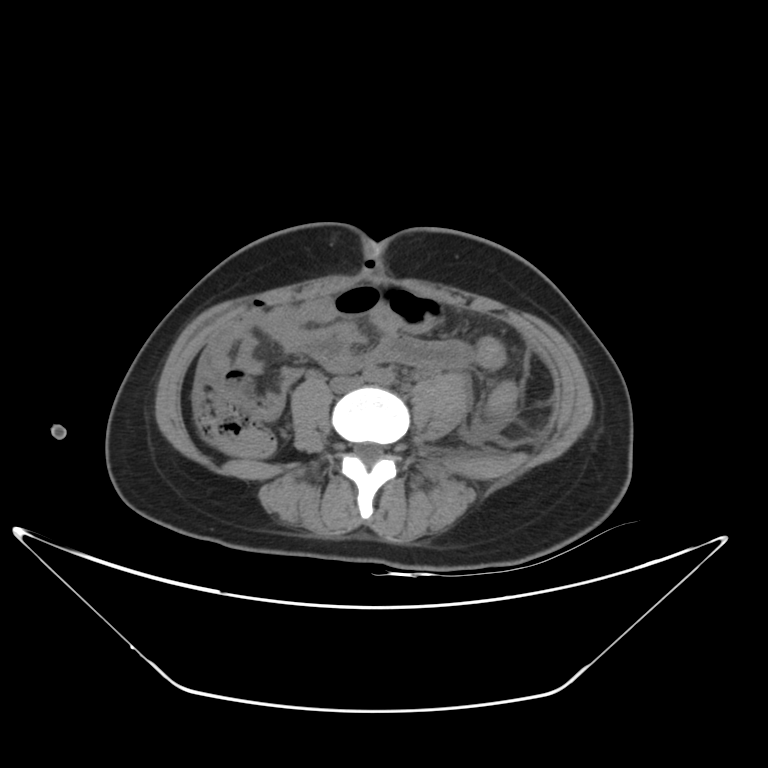

Abdominal CT — axial plane, index 45 — abdomen soft-tissue window
Boxes are (x1, y1, x2, y2) in pixels.
Organ bounding boxes:
- inferior vena cava: (331, 377, 361, 389)